CT abdomen. axial view. 768x768 px
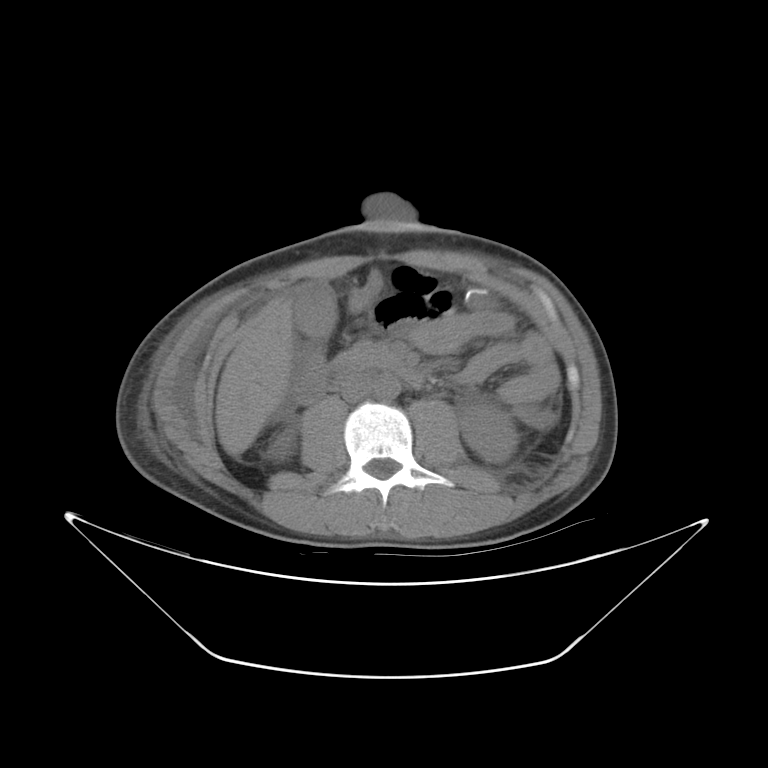 One row per box, in pixels: columns x1 and y1 give the top-left corner, x2 and y2 the bottom-right.
| organ | x1 | y1 | x2 | y2 |
|---|---|---|---|---|
| right kidney | 270 | 434 | 294 | 460 |
| left kidney | 459 | 404 | 516 | 462 |
| gall bladder | 292 | 283 | 336 | 337 |
| liver | 216 | 300 | 292 | 451 |
| aorta | 373 | 374 | 400 | 400 |
| inferior vena cava | 340 | 373 | 372 | 402 |
| pancreas | 336 | 341 | 398 | 369 |
| duodenum | 324 | 360 | 423 | 390 |